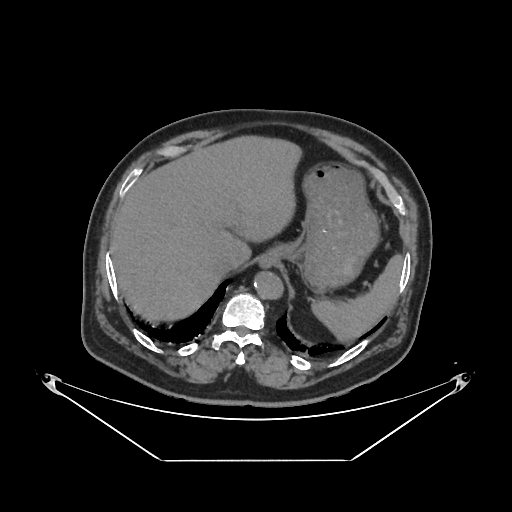 Abdominal CT; Axial slice 293/353; soft-tissue window; 512x512 px
{"organs":{"spleen":[312,253,403,342],"aorta":[252,270,281,298],"liver":[110,137,297,321],"inferior vena cava":[217,256,238,274],"stomach":[261,161,379,291]}}